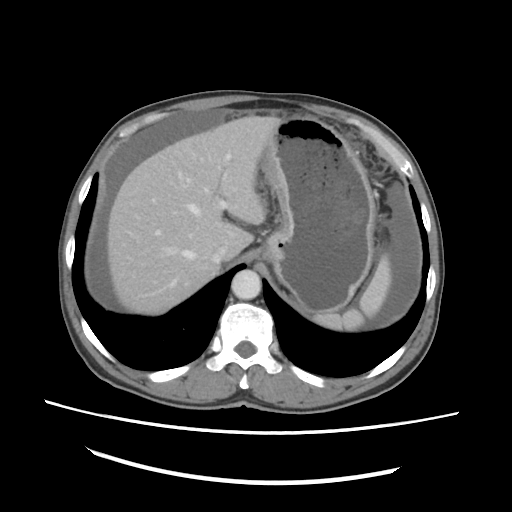

CT, abdomen/pelvis — axial view — 512x512 px — 61-year-old male patient
<organs><organ name="aorta" x1="231" y1="269" x2="261" y2="299"/><organ name="stomach" x1="261" y1="116" x2="375" y2="313"/><organ name="liver" x1="106" y1="116" x2="281" y2="314"/><organ name="spleen" x1="312" y1="254" x2="391" y2="330"/><organ name="inferior vena cava" x1="211" y1="243" x2="234" y2="263"/></organs>